Abdominal CT · axial view · 15 organs annotated in this scan (that count is for the whole scan; organs this slice misses have no box)
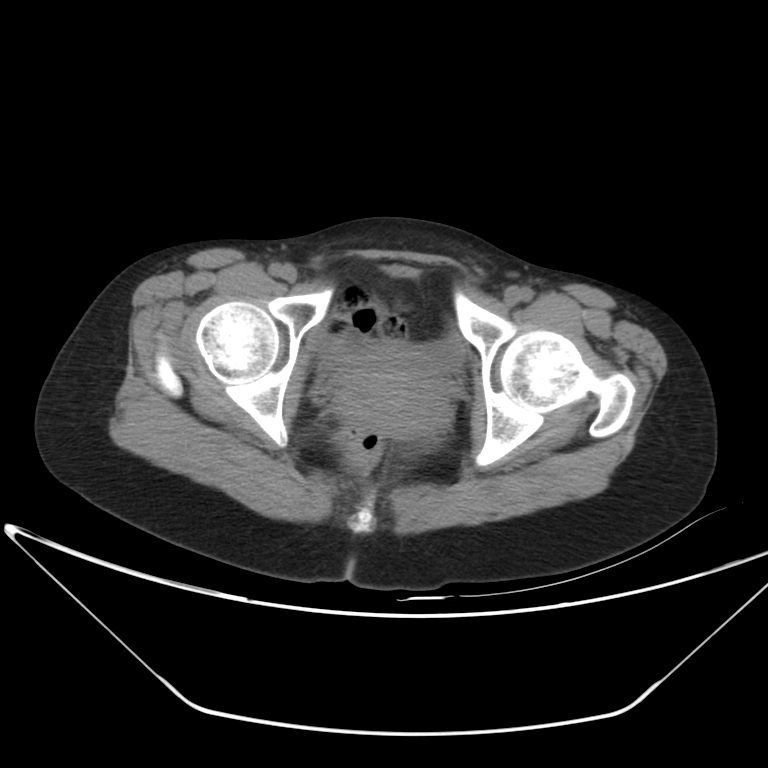 Bounding boxes as [x1, y1, x2, y2] in pixel coordinates.
bladder: [316, 266, 463, 376]
prostate/uterus: [339, 356, 443, 434]